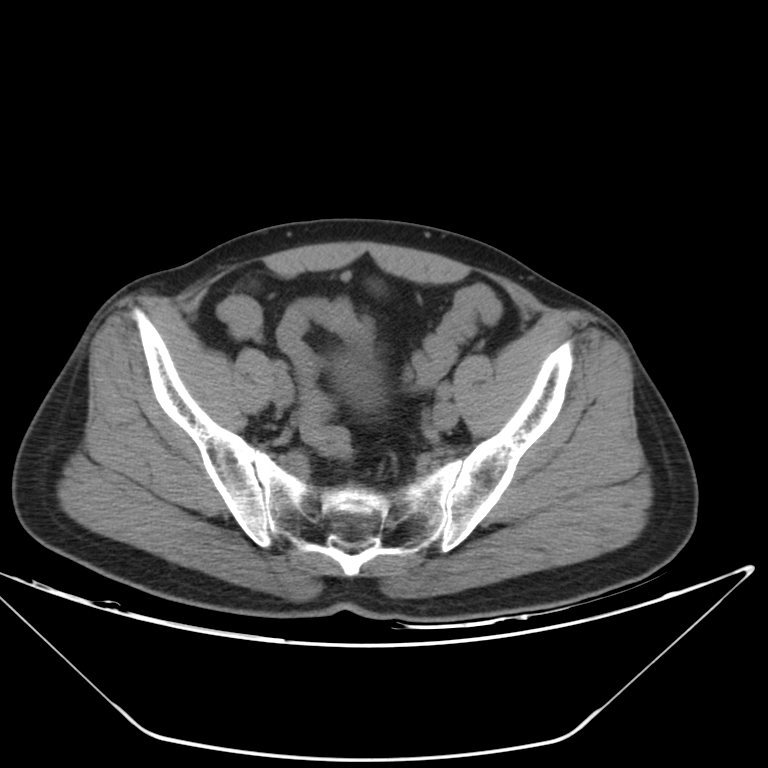
CT abdomen. axial view. acquired on Brilliance16
{"organs":{"bladder":[334,355,381,408]}}